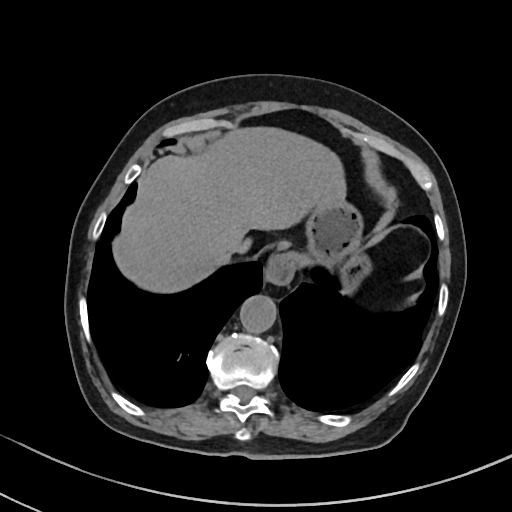 CT, abdomen/pelvis; Axial slice 178/202
{"organs":{"esophagus":[266,254,295,286],"liver":[114,128,343,292],"stomach":[290,202,360,265],"aorta":[239,295,276,334],"inferior vena cava":[228,237,243,252]}}